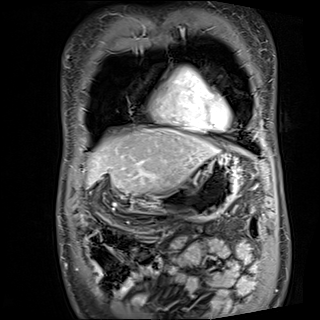 Magnetic resonance imaging, abdomen; coronal view; scan has 13 labeled organs (a whole-scan count: organs this slice does not pass through have no box)
One row per box, in pixels: columns x1 and y1 give the top-left corner, x2 and y2 the bottom-right.
| organ | x1 | y1 | x2 | y2 |
|---|---|---|---|---|
| liver | 87 | 128 | 218 | 193 |
| stomach | 130 | 153 | 241 | 225 |